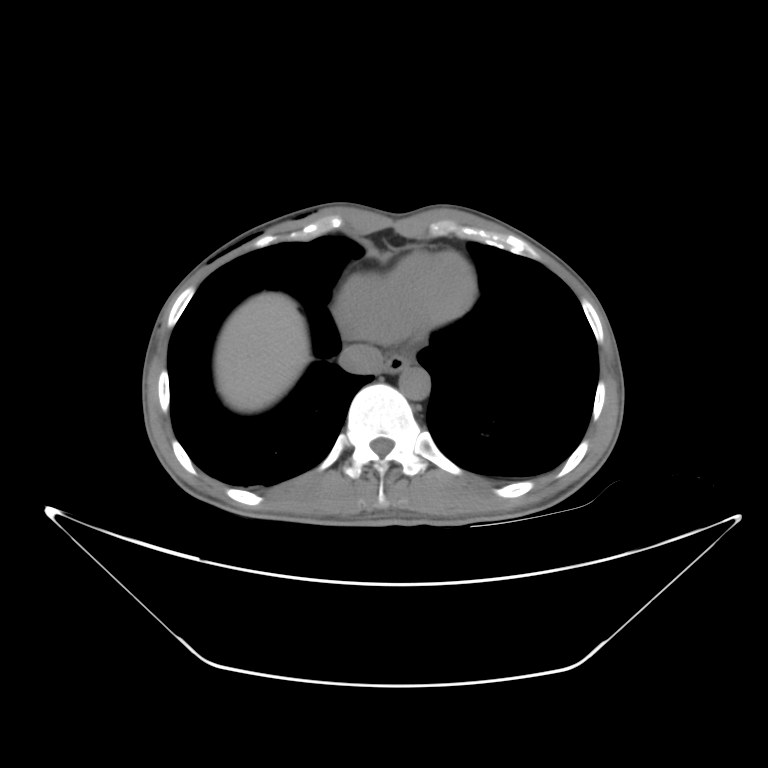
Abdominal CT — Axial slice 87/95 — soft-tissue window — 768x768 px — 15 organs annotated in this scan (counted over the whole 3D scan, not this slice; an organ is boxed only where this slice passes through it)
Bounding boxes as [x1, y1, x2, y2] in pixel coordinates.
esophagus: [379, 348, 411, 372]
aorta: [400, 363, 428, 400]
inferior vena cava: [340, 343, 381, 373]
liver: [215, 293, 311, 412]